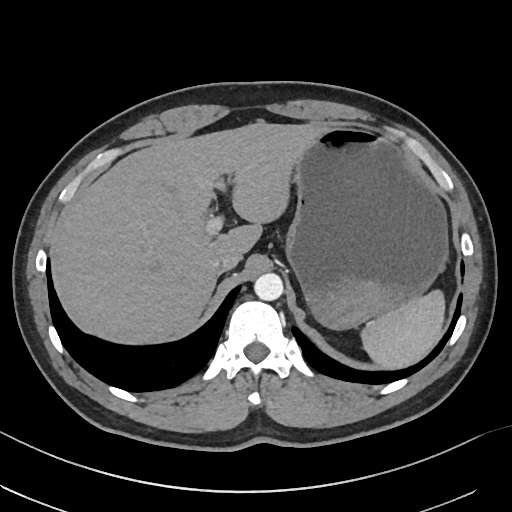
Computed tomography, abdomen. axial view. acquired on SOMATOM Force
Coordinates as <box>x1,y1,x2,y2</box> in pixels. 5 labeled organs on this slice — spleen at <box>361,292,444,367</box>; liver at <box>55,121,323,342</box>; stomach at <box>283,128,448,330</box>; aorta at <box>254,273,283,301</box>; inferior vena cava at <box>210,253,238,274</box>.